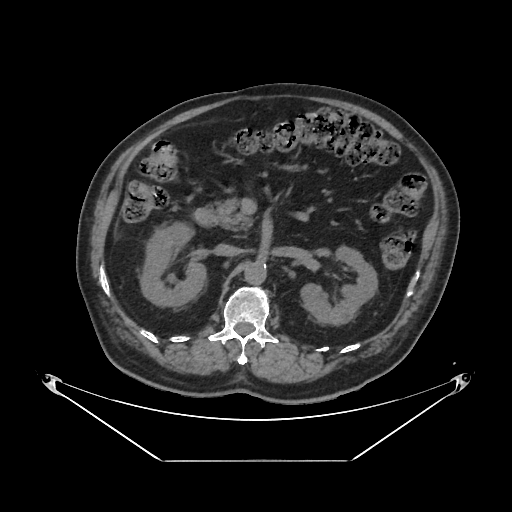
CT abdomen; axial view; soft-tissue window (W 400 / L 40); SOMATOM Force scanner
Box edges are left/top/right/bottom in pixels.
Organ bounding boxes:
- right kidney: left=141, top=223, right=205, bottom=306
- left kidney: left=302, top=245, right=377, bottom=324
- aorta: left=245, top=262, right=266, bottom=283
- inferior vena cava: left=214, top=243, right=240, bottom=255
- pancreas: left=214, top=198, right=253, bottom=229
- duodenum: left=193, top=207, right=213, bottom=225